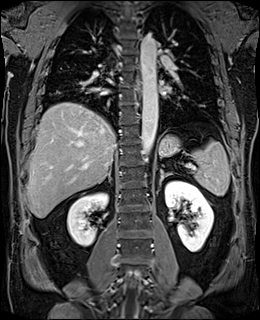
Magnetic resonance imaging, abdomen; coronal plane, index 46
Organ boxes in pixel coordinates; each row gives the top-left (x1, y1) and bottom-right (x2, y2) corners.
| organ | x1 | y1 | x2 | y2 |
|---|---|---|---|---|
| spleen | 188 | 140 | 230 | 195 |
| right kidney | 67 | 193 | 107 | 246 |
| left kidney | 165 | 180 | 213 | 252 |
| esophagus | 137 | 82 | 139 | 89 |
| liver | 27 | 102 | 116 | 218 |
| stomach | 158 | 135 | 180 | 156 |
| aorta | 140 | 34 | 157 | 159 |
| right adrenal gland | 97 | 166 | 111 | 183 |
| left adrenal gland | 159 | 169 | 172 | 186 |